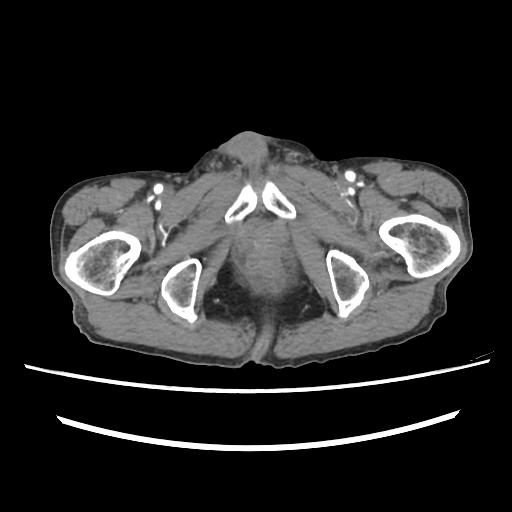
CT, abdomen/pelvis; axial view; 512x512 px; 81-year-old male patient
<organs><organ name="prostate/uterus" x1="240" y1="223" x2="284" y2="258"/></organs>